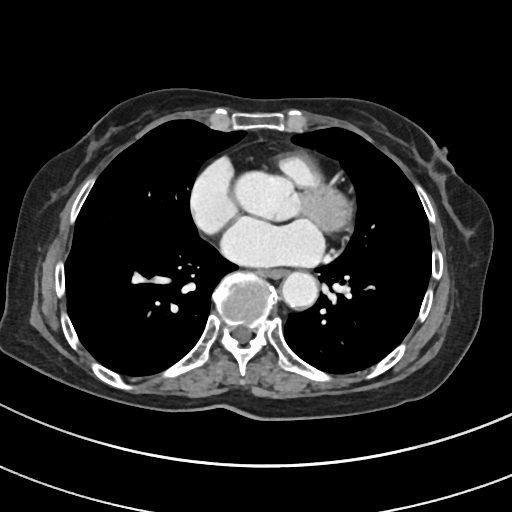
CT of the abdomen reaching into the lower chest, slice just above the liver and spleen · Axial slice 205/284 · 512x512 px
Of the structures in the chest, this dataset labels only the esophagus, the aorta and the inferior vena cava; the heart and lungs have no label.
Bounding boxes in pixels, one row per box: x1, y1 is the top-left corner and x2, y2 the bottom-right.
| organ | x1 | y1 | x2 | y2 |
|---|---|---|---|---|
| esophagus | 263 | 269 | 288 | 278 |
| aorta | 281 | 273 | 317 | 310 |